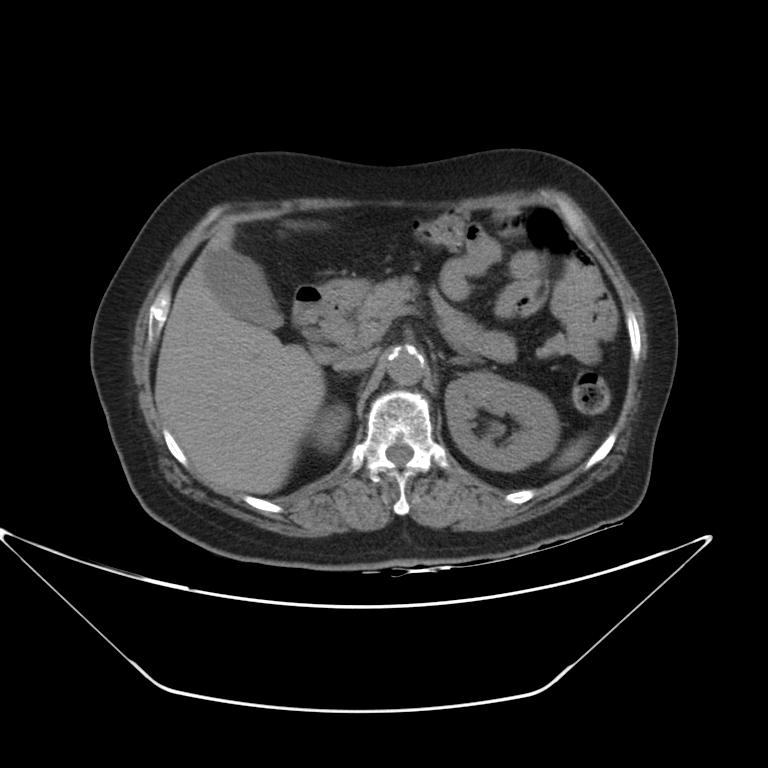
CT, abdomen/pelvis. axial view. W/L 400/40 HU. 15 organs annotated in this scan (that count is for the whole scan; organs this slice misses have no box)
{"organs":{"spleen":[554,435,590,469],"right kidney":[316,409,346,444],"left kidney":[445,372,560,471],"gall bladder":[203,248,282,328],"liver":[155,225,337,493],"stomach":[322,279,368,304],"aorta":[387,346,425,384],"inferior vena cava":[334,350,376,370],"pancreas":[354,276,417,339],"left adrenal gland":[450,357,467,364],"duodenum":[294,286,343,337]}}